CT abdomen. axial view
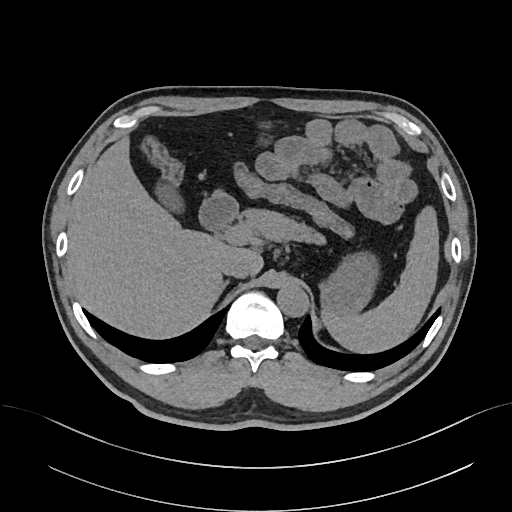

<organs><organ name="spleen" x1="323" y1="208" x2="438" y2="353"/><organ name="gall bladder" x1="151" y1="178" x2="187" y2="217"/><organ name="liver" x1="67" y1="134" x2="264" y2="337"/><organ name="stomach" x1="318" y1="251" x2="384" y2="315"/><organ name="aorta" x1="277" y1="285" x2="309" y2="317"/><organ name="inferior vena cava" x1="220" y1="254" x2="250" y2="278"/><organ name="pancreas" x1="240" y1="211" x2="326" y2="242"/><organ name="right adrenal gland" x1="219" y1="281" x2="231" y2="293"/><organ name="duodenum" x1="199" y1="191" x2="238" y2="229"/></organs>